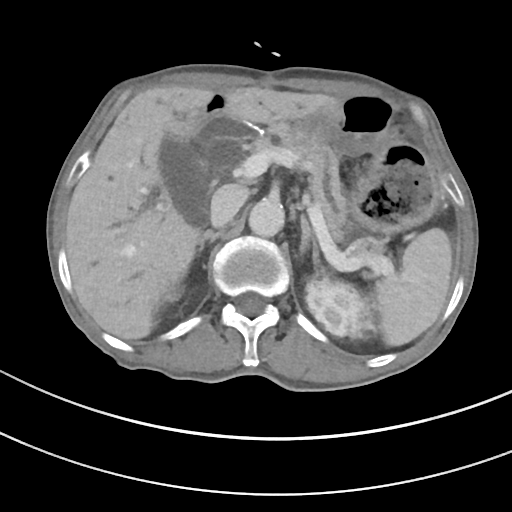
Computed tomography, abdomen. axial view. abdomen soft-tissue window. acquired on SOMATOM Force
Boxes are (x1, y1, x2, y2) in pixels.
Organ bounding boxes:
- spleen: (374, 228, 452, 345)
- right kidney: (165, 287, 180, 303)
- left kidney: (306, 276, 376, 338)
- gall bladder: (159, 137, 208, 226)
- liver: (66, 86, 341, 339)
- stomach: (168, 136, 438, 232)
- aorta: (248, 199, 284, 237)
- inferior vena cava: (210, 186, 246, 227)
- pancreas: (256, 123, 383, 256)
- right adrenal gland: (197, 229, 220, 252)
- left adrenal gland: (299, 214, 319, 268)
- duodenum: (188, 112, 261, 155)